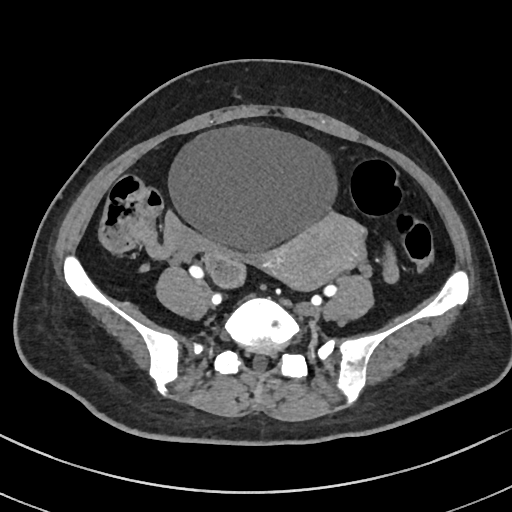
CT, abdomen/pelvis · axial view · 512x512 px · scan has 15 labeled organs (counted over the whole 3D scan, not this slice; an organ is boxed only where this slice passes through it)
Organ boxes in pixel coordinates; each row gives the top-left (x1, y1) and bottom-right (x2, y2) corners.
| organ | x1 | y1 | x2 | y2 |
|---|---|---|---|---|
| prostate/uterus | 266 | 213 | 366 | 292 |
| bladder | 165 | 125 | 338 | 252 |